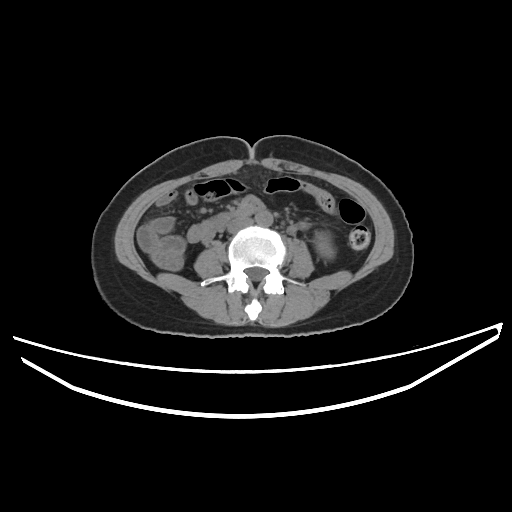 Abdominal CT — axial view — acquired on Aquilion ONE
Boxes: x1 y1 x2 y2 (pixel coords, space-separated).
left kidney: 314 231 334 258
aorta: 255 210 272 226
inferior vena cava: 227 217 253 233